Abdominal MRI; axial view; 288x232 px
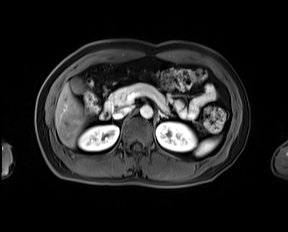

One row per box, in pixels: columns x1 and y1 give the top-left corner, x2 and y2 the bottom-right.
| organ | x1 | y1 | x2 | y2 |
|---|---|---|---|---|
| gall bladder | 71 | 78 | 83 | 93 |
| aorta | 140 | 105 | 152 | 118 |
| pancreas | 105 | 83 | 169 | 113 |
| duodenum | 100 | 109 | 110 | 119 |
| right kidney | 78 | 125 | 118 | 150 |
| left adrenal gland | 158 | 110 | 167 | 118 |
| liver | 55 | 83 | 85 | 147 |
| inferior vena cava | 113 | 107 | 132 | 118 |
| left kidney | 156 | 122 | 196 | 151 |
| spleen | 195 | 139 | 218 | 155 |